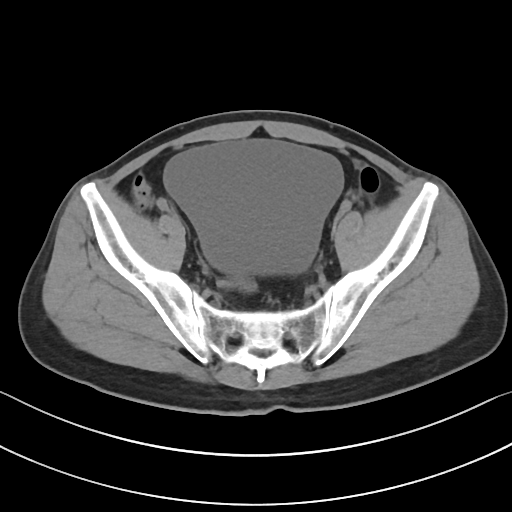

Abdominal CT — axial plane, index 26 — W/L 400/40 HU
Boxes: x1 y1 x2 y2 (pixel coords, space-separated).
Organ bounding boxes:
- bladder: 163 140 343 273